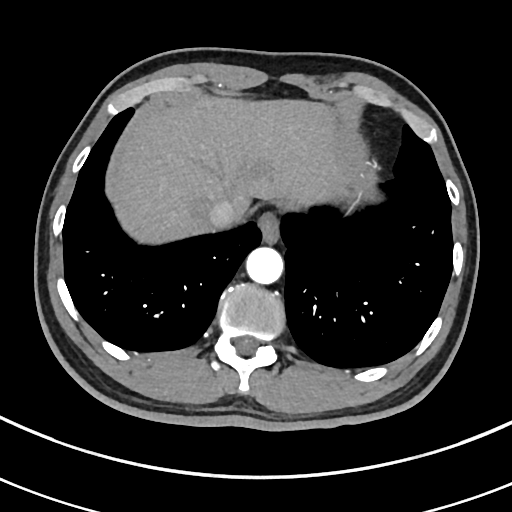
Computed tomography, abdomen. axial view. soft-tissue window (W 400 / L 40). 512x512 px. SOMATOM Force scanner
One row per box, in pixels: columns x1 and y1 give the top-left corner, x2 and y2 the bottom-right.
| organ | x1 | y1 | x2 | y2 |
|---|---|---|---|---|
| inferior vena cava | 207 | 200 | 236 | 228 |
| aorta | 246 | 247 | 283 | 284 |
| esophagus | 257 | 212 | 279 | 242 |
| liver | 114 | 96 | 343 | 243 |